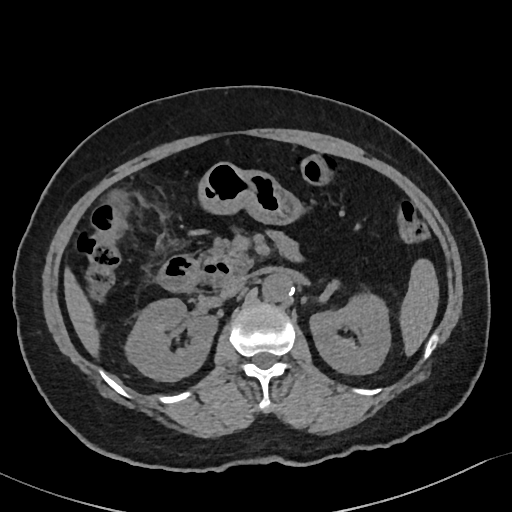

Abdominal CT. axial view. 512x512 px. SOMATOM Force scanner. 15 organs annotated in this scan (that count is for the whole scan; organs this slice misses have no box)
Bounding boxes as [x1, y1, x2, y2] in pixel coordinates.
Organ bounding boxes:
- spleen: [399, 259, 438, 355]
- right kidney: [125, 298, 217, 380]
- left kidney: [310, 293, 391, 374]
- gall bladder: [111, 194, 125, 208]
- liver: [64, 269, 99, 356]
- stomach: [198, 162, 304, 224]
- aorta: [261, 273, 292, 301]
- inferior vena cava: [221, 274, 247, 297]
- pancreas: [205, 237, 253, 272]
- duodenum: [158, 255, 232, 291]